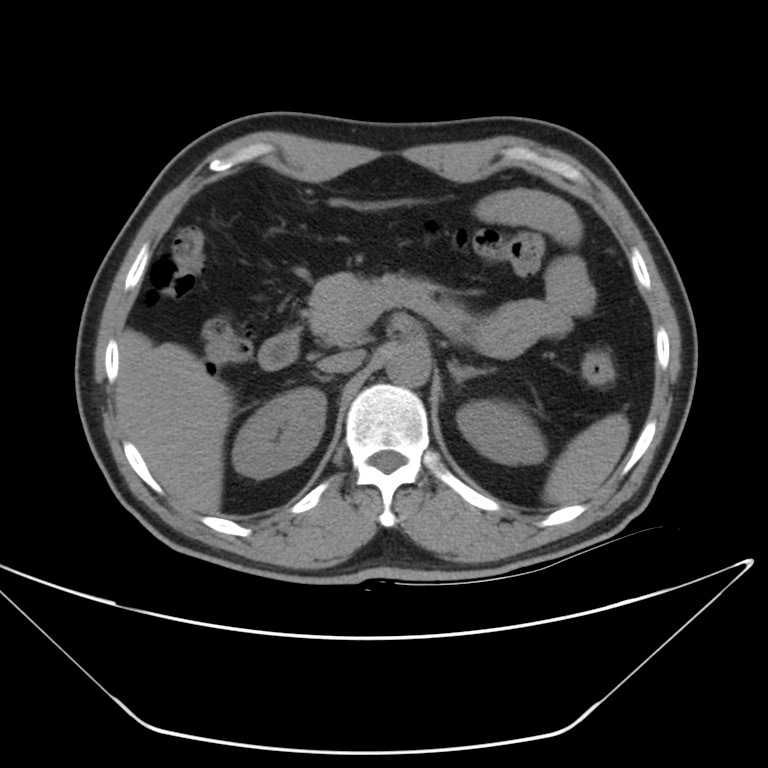
Abdominal CT. axial view. soft-tissue window. 768x768 px. 45-year-old male patient. acquired on Brilliance16. scan has 15 labeled organs (counted over the whole 3D scan, not this slice; an organ is boxed only where this slice passes through it)
Coordinates as <box>x1,y1,x2,y2</box> in pixels. Labeled organs on this slice: liver at <box>119,331,231,512</box>, right adrenal gland at <box>309,371,331,381</box>, inferior vena cava at <box>318,351,362,373</box>, left kidney at <box>457,399,545,463</box>, left adrenal gland at <box>448,359,494,381</box>, duodenum at <box>257,331,298,368</box>, right kidney at <box>232,385,325,478</box>, spleen at <box>542,413,630,506</box>, pancreas at <box>306,274,469,341</box>, aorta at <box>386,342,430,387</box>.